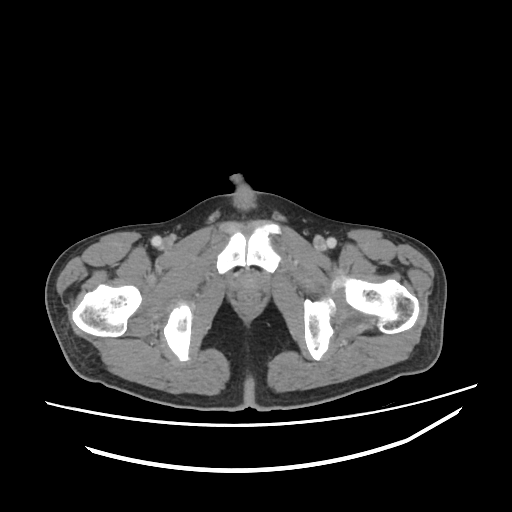

Computed tomography, abdomen. axial view. 512x512 px. 49-year-old male patient. 15 organs annotated in this scan (counted over the whole 3D scan, not this slice; an organ is boxed only where this slice passes through it)
{"organs":{"prostate/uterus":[239,276,258,290]}}